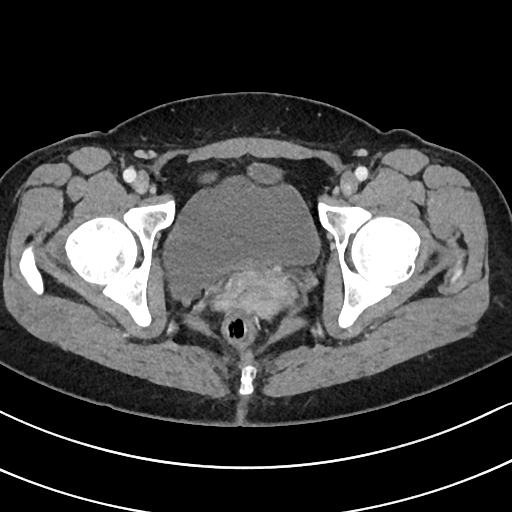 CT abdomen; Axial slice 22/206; 512x512 px
Boxes: x1 y1 x2 y2 (pixel coords, space-separated). Labeled organs on this slice: bladder at 165 175 319 298, prostate/uterus at 219 268 294 317.